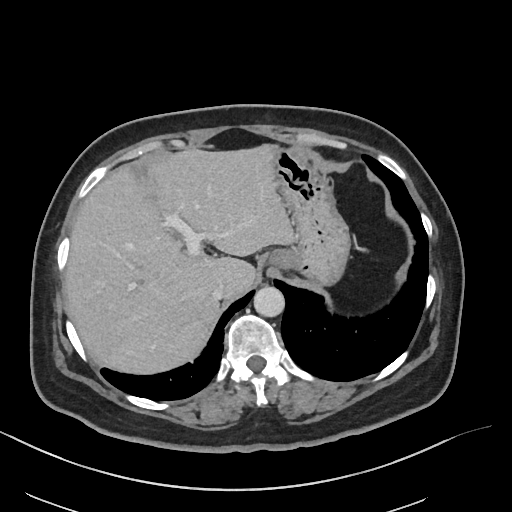 CT abdomen — Axial slice 198/244
Bounding boxes as [x1, y1, x2, y2] in pixel coordinates.
esophagus: [266, 248, 294, 269]
liver: [65, 144, 296, 373]
stomach: [266, 148, 350, 285]
aorta: [253, 286, 284, 317]
inferior vena cava: [212, 280, 222, 299]